Chest-level CT slice, above the liver and spleen — axial plane, index 287
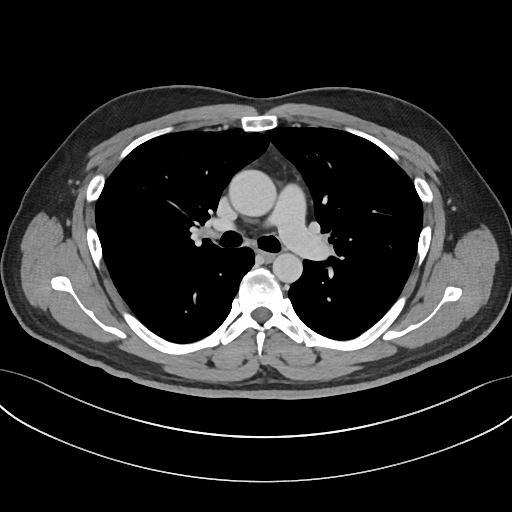
At this level of the chest no structure but the esophagus and the aorta has a label in this dataset, and those two are boxed only where they are labeled.
Coordinates as <box>x1,y1,x2,y2</box> in pixels.
Organ bounding boxes:
- aorta: <box>229,170,276,217</box>
- aorta: <box>272,252,302,282</box>
- esophagus: <box>262,252,275,260</box>